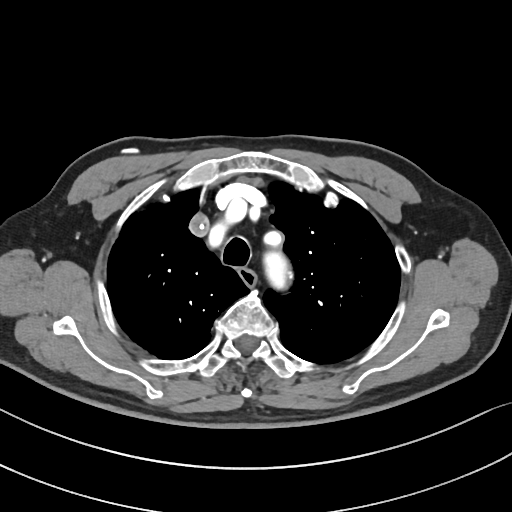 Chest-level CT slice, above the liver and spleen · Axial slice 279/306 · 512x512 px
At this level of the chest no structure but the esophagus and the aorta has a label in this dataset, and those two are boxed only where they are labeled.
Bounding boxes as [x1, y1, x2, y2] in pixel coordinates.
Organ bounding boxes:
- esophagus: [237, 266, 255, 286]